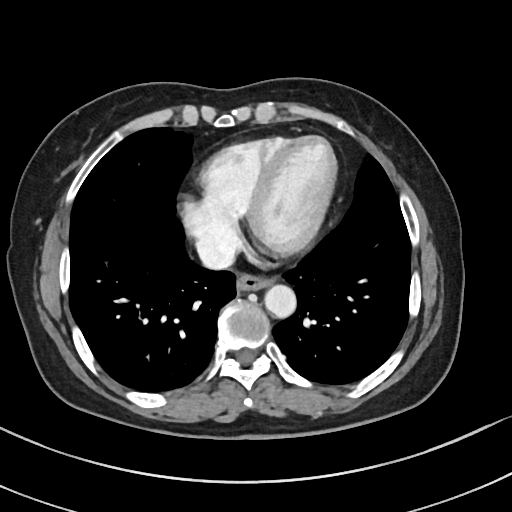
Abdominal CT; this slice is in the lower chest, just above the liver · axial view · soft-tissue window, W/L 400/40 · 512x512 px
No part of the heart or lungs is labeled in this dataset, so neither has a box here.
One row per box, in pixels: columns x1 and y1 give the top-left corner, x2 and y2 the bottom-right.
| organ | x1 | y1 | x2 | y2 |
|---|---|---|---|---|
| esophagus | 235 | 276 | 272 | 292 |
| aorta | 264 | 286 | 296 | 318 |
| inferior vena cava | 195 | 235 | 234 | 268 |